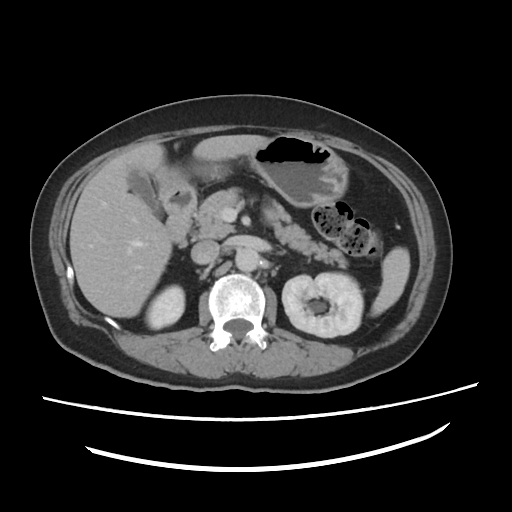

CT, abdomen/pelvis; axial plane, index 64
One row per box, in pixels: columns x1 and y1 give the top-left corner, x2 and y2 the bottom-right.
| organ | x1 | y1 | x2 | y2 |
|---|---|---|---|---|
| pancreas | 193 | 188 | 348 | 268 |
| liver | 69 | 135 | 267 | 316 |
| left kidney | 282 | 273 | 363 | 337 |
| right kidney | 145 | 284 | 185 | 329 |
| gall bladder | 127 | 170 | 162 | 214 |
| stomach | 153 | 135 | 348 | 206 |
| aorta | 235 | 248 | 259 | 272 |
| duodenum | 161 | 184 | 196 | 242 |
| spleen | 370 | 248 | 409 | 316 |
| inferior vena cava | 191 | 240 | 219 | 264 |